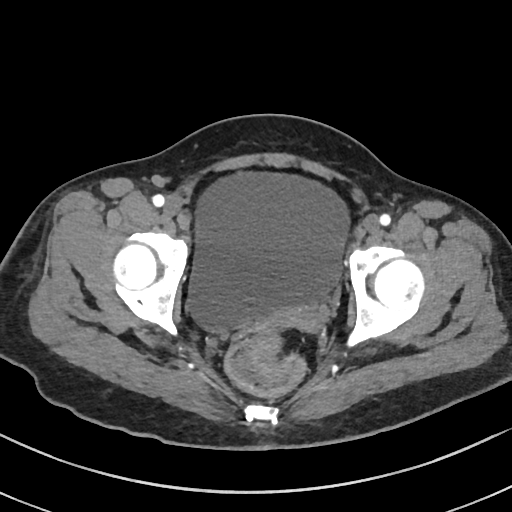

CT abdomen — axial view — soft-tissue window (W 400 / L 40) — 512x512 px
{"organs":{"bladder":[186,172,350,330],"prostate/uterus":[280,302,331,333]}}